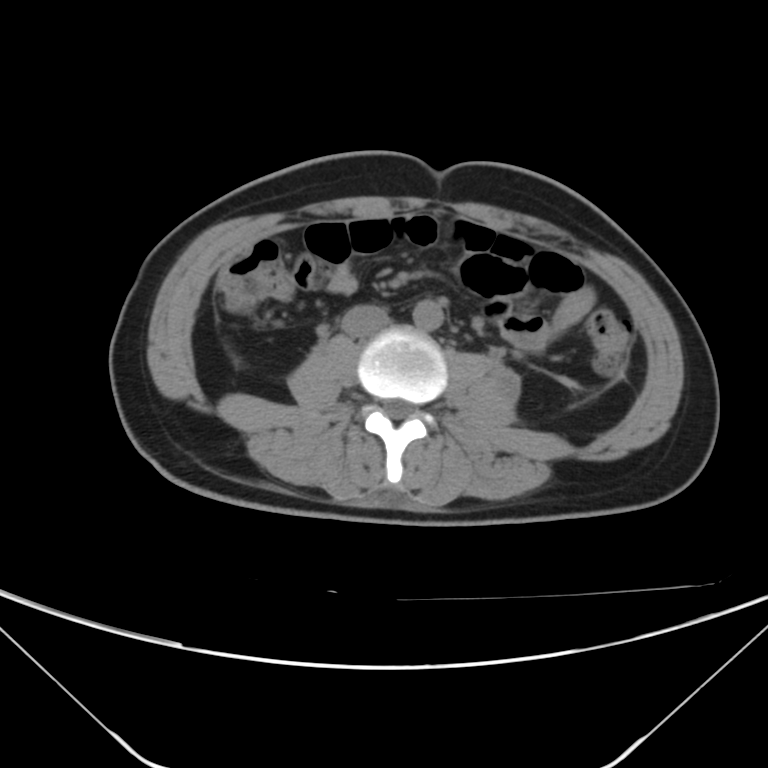
Abdominal CT · axial plane, index 49 · W/L 400/40 HU · 768x768 px · 24-year-old male patient · acquired on Brilliance16
Boxes are (x1, y1, x2, y2) in pixels.
aorta: (412, 299, 443, 331)
inferior vena cava: (342, 304, 390, 337)